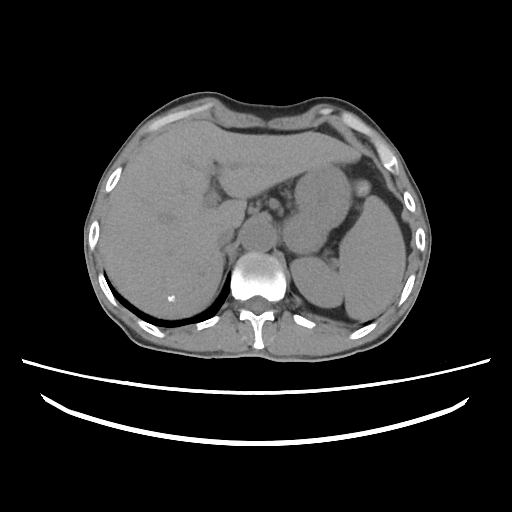 Abdominal CT — axial plane, index 76 — acquired on Aquilion ONE
{"organs":{"spleen":[290,195,406,318],"liver":[100,121,361,318],"stomach":[282,166,350,254],"aorta":[242,222,276,252],"inferior vena cava":[217,225,237,244],"right adrenal gland":[222,247,225,267]}}